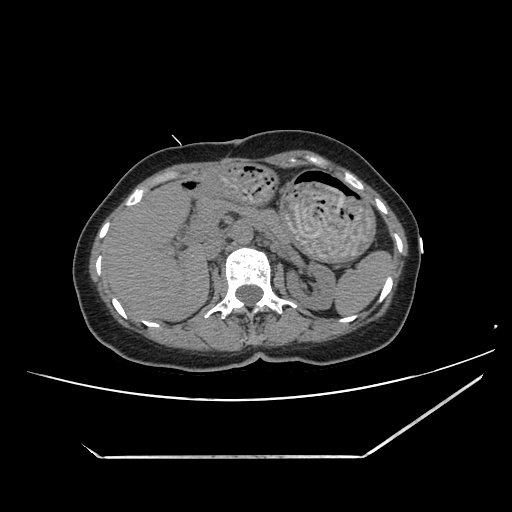

CT abdomen; axial plane, index 103; scan has 14 labeled organs (counted over the whole 3D scan, not this slice; an organ is boxed only where this slice passes through it)
<organs><organ name="spleen" x1="333" y1="250" x2="392" y2="316"/><organ name="aorta" x1="232" y1="221" x2="254" y2="244"/><organ name="pancreas" x1="195" y1="195" x2="291" y2="246"/><organ name="inferior vena cava" x1="203" y1="236" x2="224" y2="260"/><organ name="left kidney" x1="285" y1="263" x2="335" y2="310"/><organ name="stomach" x1="181" y1="164" x2="376" y2="261"/><organ name="liver" x1="108" y1="179" x2="210" y2="322"/></organs>